CT abdomen — axial view — soft-tissue window
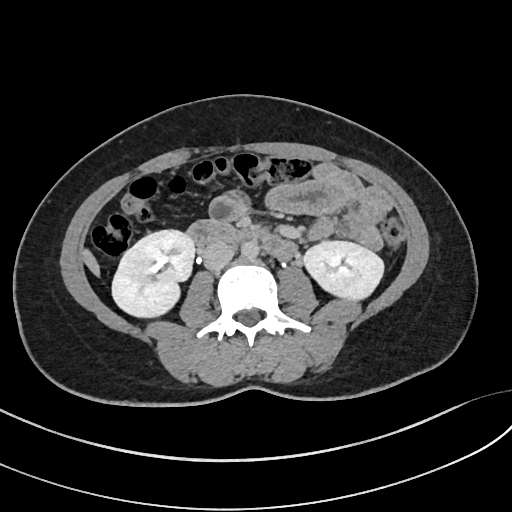
<organs><organ name="right kidney" x1="112" y1="230" x2="194" y2="318"/><organ name="duodenum" x1="185" y1="220" x2="281" y2="257"/><organ name="aorta" x1="241" y1="242" x2="259" y2="259"/><organ name="inferior vena cava" x1="202" y1="243" x2="234" y2="271"/><organ name="left kidney" x1="303" y1="241" x2="384" y2="301"/><organ name="liver" x1="82" y1="248" x2="100" y2="277"/></organs>